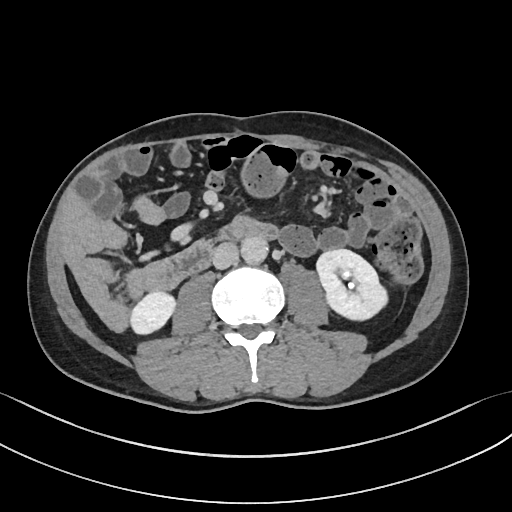
Abdominal CT — axial view — 512x512 px — SOMATOM Force scanner
Bounding boxes in pixels, one row per box: x1, y1 is the top-left corner and x2, y2 the bottom-right.
| organ | x1 | y1 | x2 | y2 |
|---|---|---|---|---|
| right kidney | 129 | 290 | 175 | 335 |
| left kidney | 317 | 248 | 387 | 320 |
| aorta | 241 | 235 | 268 | 263 |
| inferior vena cava | 212 | 242 | 238 | 268 |